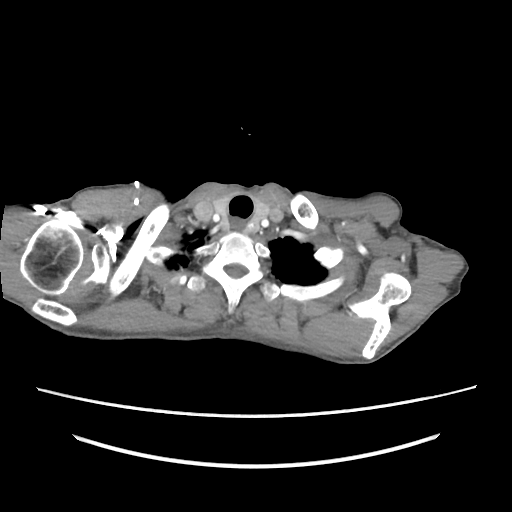 Chest-level slice from an abdominal CT that extends up into the chest · axial view · soft-tissue window · 62-year-old male patient
At this level of the chest no structure but the esophagus and the aorta has a label in this dataset, and those two are boxed only where they are labeled.
<organs><organ name="esophagus" x1="229" y1="222" x2="246" y2="232"/></organs>